CT abdomen · axial view · soft-tissue window (W 400 / L 40) · 54-year-old female patient
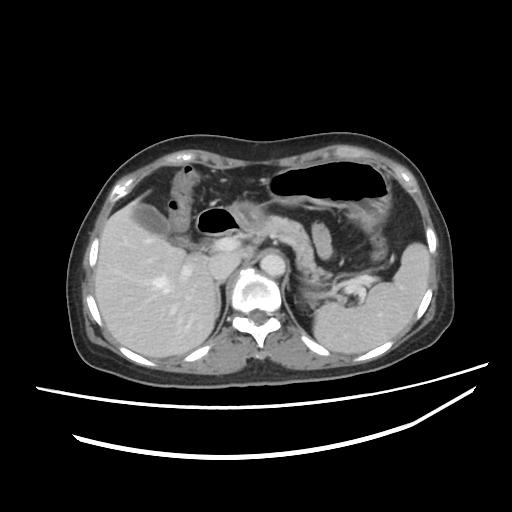 Bounding boxes as [x1, y1, x2, y2] in pixel coordinates.
spleen: [313, 243, 430, 354]
gall bladder: [132, 203, 197, 248]
liver: [94, 197, 252, 357]
stomach: [233, 160, 391, 281]
aorta: [260, 253, 285, 276]
inferior vena cava: [209, 253, 240, 280]
pancreas: [243, 216, 316, 271]
right adrenal gland: [215, 280, 224, 316]
duodenum: [196, 206, 243, 235]